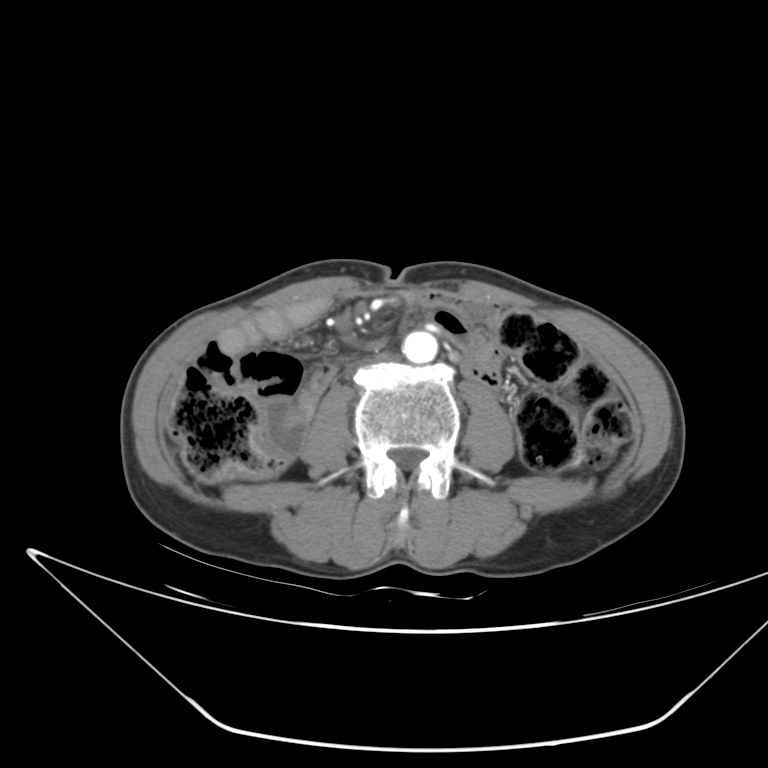
Abdominal CT. axial view
<organs><organ name="aorta" x1="402" y1="331" x2="438" y2="363"/><organ name="inferior vena cava" x1="345" y1="353" x2="392" y2="376"/></organs>